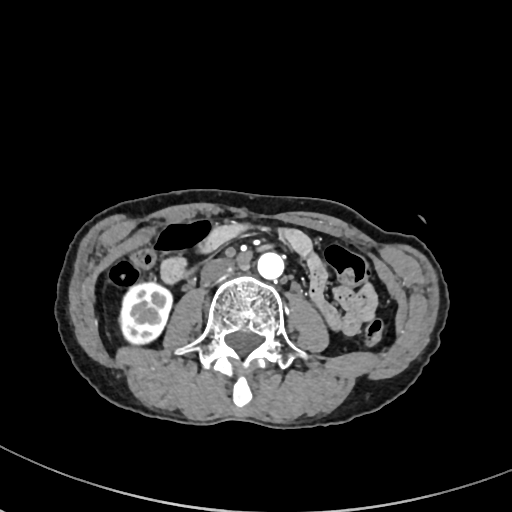
Abdominal CT · axial view · soft-tissue window
Boxes are (x1, y1, x2, y2) in pixels.
Organ bounding boxes:
- right kidney: (119, 282, 171, 344)
- aorta: (257, 252, 284, 279)
- inferior vena cava: (200, 259, 233, 285)